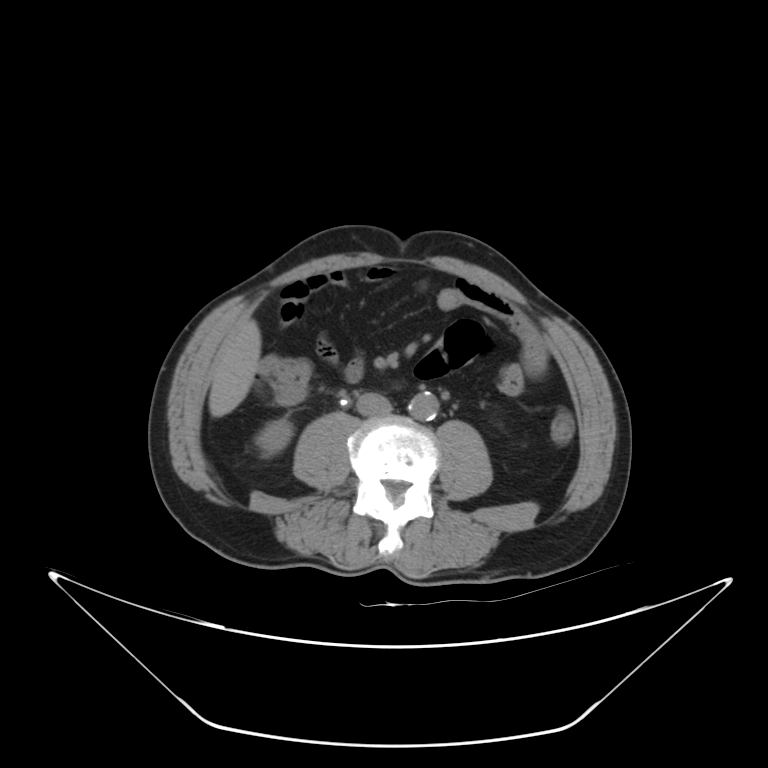
CT abdomen — axial view — abdomen soft-tissue window
Boxes: x1 y1 x2 y2 (pixel coords, space-separated). 4 labeled organs on this slice — right kidney at 254 419 293 456; liver at 208 319 261 416; aorta at 407 392 438 420; inferior vena cava at 356 393 391 415.